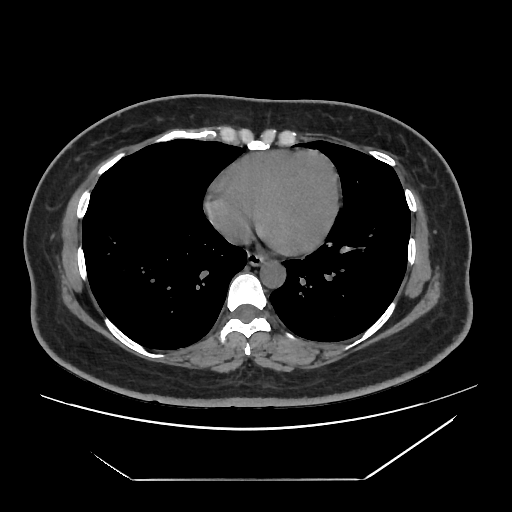
Lower-chest slice from an abdominal CT, just above the liver and spleen. axial plane, index 324
No part of the heart or lungs is labeled in this dataset, so neither has a box here.
Bounding boxes as [x1, y1, x2, y2] in pixel coordinates.
esophagus: [248, 251, 264, 264]
aorta: [259, 260, 285, 287]
inferior vena cava: [225, 225, 248, 242]